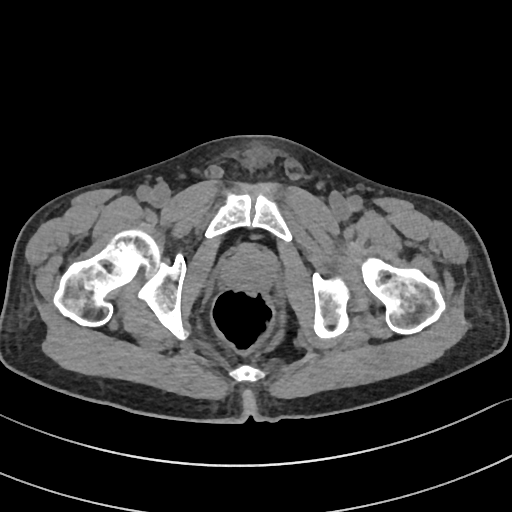
Computed tomography, abdomen · axial view · soft-tissue window
Boxes are (x1, y1, x2, y2) in pixels. Labeled organs on this slice: prostate/uterus at (224, 247, 270, 289).